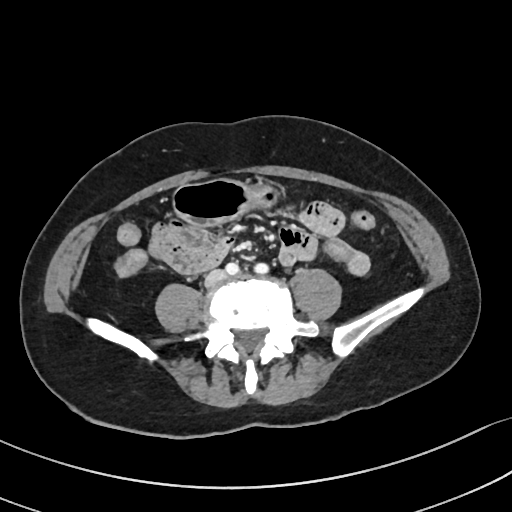
Abdominal CT — axial view — abdomen soft-tissue window — SOMATOM Force scanner
{"organs":{"stomach":[171,180,275,223]}}